Magnetic resonance imaging, abdomen — coronal acquisition — percentile-normalized — 260x320 px
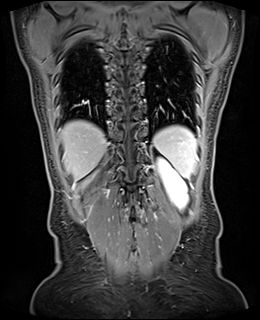
Organ boxes in pixel coordinates; each row gives the top-left (x1, y1) and bottom-right (x2, y2) corners.
| organ | x1 | y1 | x2 | y2 |
|---|---|---|---|---|
| spleen | 153 | 126 | 197 | 178 |
| left kidney | 158 | 159 | 187 | 207 |
| liver | 61 | 120 | 106 | 178 |